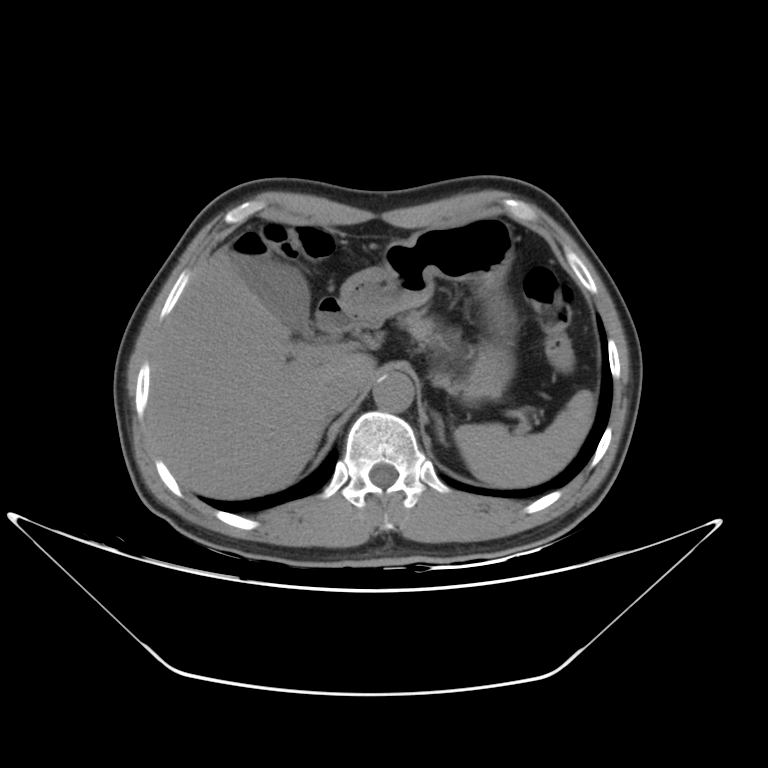 CT, abdomen/pelvis; axial view; soft-tissue window (W 400 / L 40); acquired on Brilliance16
Organ boxes in pixel coordinates; each row gives the top-left (x1, y1) and bottom-right (x2, y2) corners.
| organ | x1 | y1 | x2 | y2 |
|---|---|---|---|---|
| left adrenal gland | 435 | 411 | 446 | 445 |
| duodenum | 315 | 292 | 354 | 333 |
| gall bladder | 238 | 254 | 315 | 341 |
| aorta | 373 | 371 | 413 | 411 |
| spleen | 454 | 389 | 594 | 485 |
| pancreas | 398 | 310 | 452 | 350 |
| liver | 148 | 244 | 375 | 498 |
| stomach | 339 | 218 | 520 | 399 |
| inferior vena cava | 321 | 373 | 356 | 413 |